CT abdomen · axial plane, index 13 · soft-tissue window (W 400 / L 40) · 512x512 px · acquired on Aquilion ONE
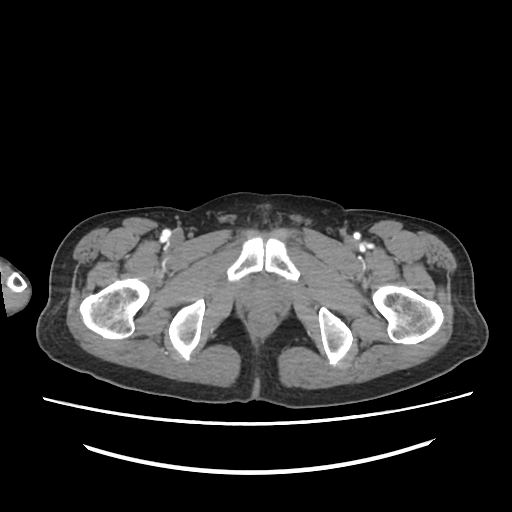 Organ boxes in pixel coordinates; each row gives the top-left (x1, y1) and bottom-right (x2, y2) corners.
| organ | x1 | y1 | x2 | y2 |
|---|---|---|---|---|
| prostate/uterus | 241 | 279 | 287 | 311 |